Abdominal CT. axial view. soft-tissue window (W 400 / L 40). SOMATOM Force scanner
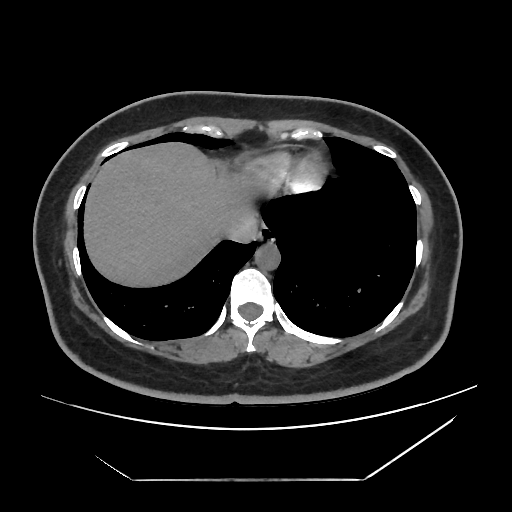
<organs><organ name="esophagus" x1="257" y1="226" x2="274" y2="242"/><organ name="inferior vena cava" x1="222" y1="214" x2="258" y2="243"/><organ name="aorta" x1="255" y1="243" x2="279" y2="269"/><organ name="liver" x1="84" y1="143" x2="254" y2="286"/><organ name="right kidney" x1="254" y1="297" x2="254" y2="300"/></organs>